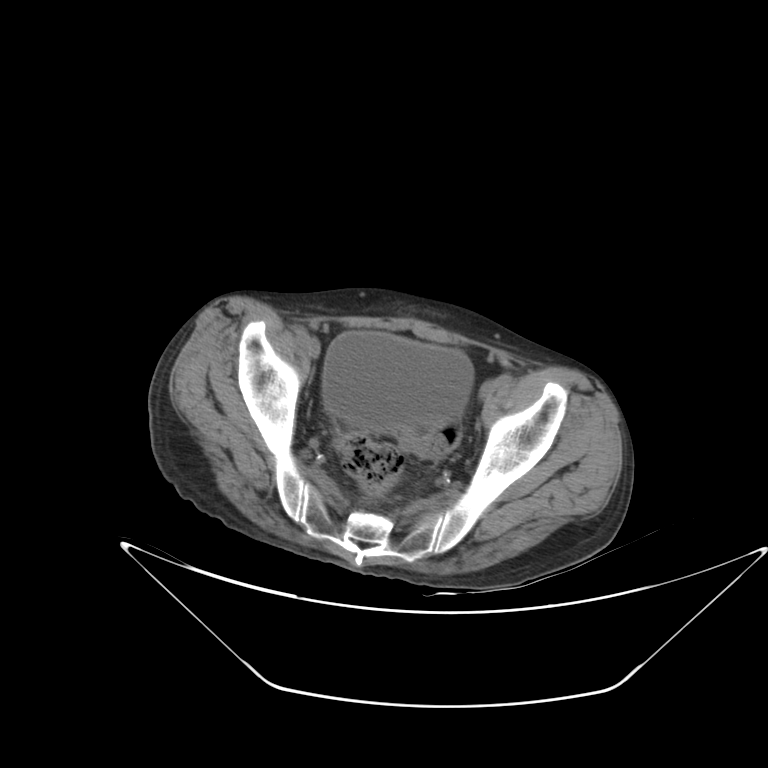

CT abdomen · Axial slice 23/99 · 768x768 px
{"organs":{"bladder":[322,331,473,430]}}